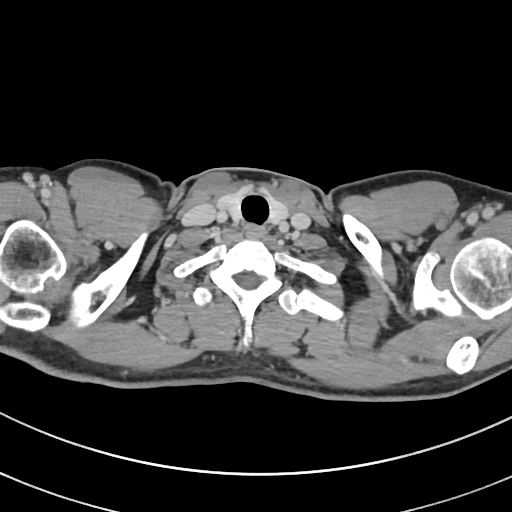
Chest-level CT slice, above the liver and spleen · axial plane, index 291
At this level of the chest this dataset labels only the esophagus and the aorta, and each is boxed only where it is labeled; the heart and lungs are never labeled.
{"organs":{"esophagus":[245,225,265,238]}}